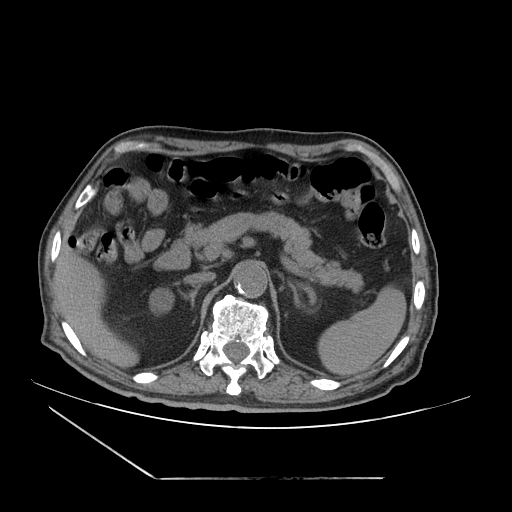 Computed tomography, abdomen · axial plane, index 141 · acquired on SOMATOM Force
Boxes: x1:y1:x2:y2 in pixels.
spleen: 318:288:406:375
right kidney: 150:289:171:313
liver: 55:247:138:368
aorta: 234:264:267:298
inferior vena cava: 184:272:215:287
pancreas: 184:212:359:290
right adrenal gland: 189:288:198:307
left adrenal gland: 285:279:300:306
duodenum: 155:240:190:269